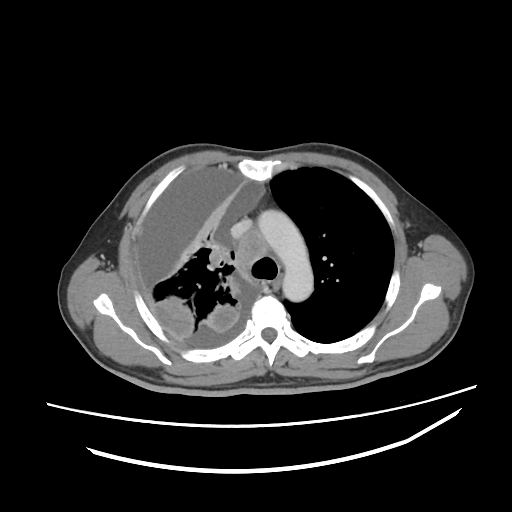

CT of the abdomen extending into the chest, slice through the chest; Axial slice 115/131; soft-tissue window; 512x512 px
At this level of the chest this dataset labels only the esophagus and the aorta, and each is boxed only where it is labeled; the heart and lungs are never labeled.
<organs><organ name="esophagus" x1="271" y1="272" x2="282" y2="291"/><organ name="aorta" x1="258" y1="209" x2="313" y2="301"/></organs>